Abdominal CT reaching into the chest; this slice is in the chest; axial view; soft-tissue window (W 400 / L 40); 512x512 px; SOMATOM Force scanner
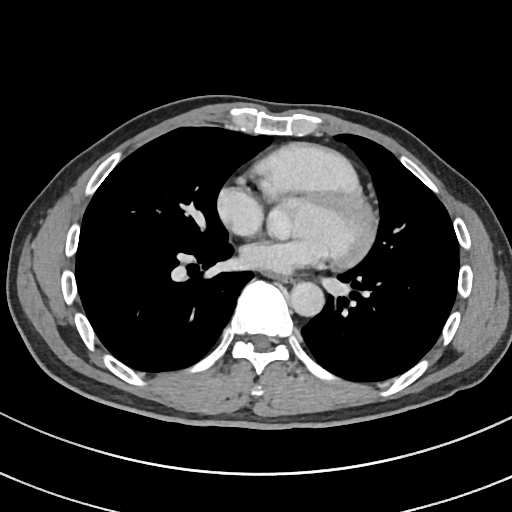

On a slice this high in the chest, this dataset labels only the esophagus and the aorta, and each is boxed only where it is labeled; the heart, lungs and other chest structures are not labeled.
Boxes are (x1, y1, x2, y2) in pixels.
esophagus: (270, 274, 291, 282)
aorta: (289, 282, 324, 316)